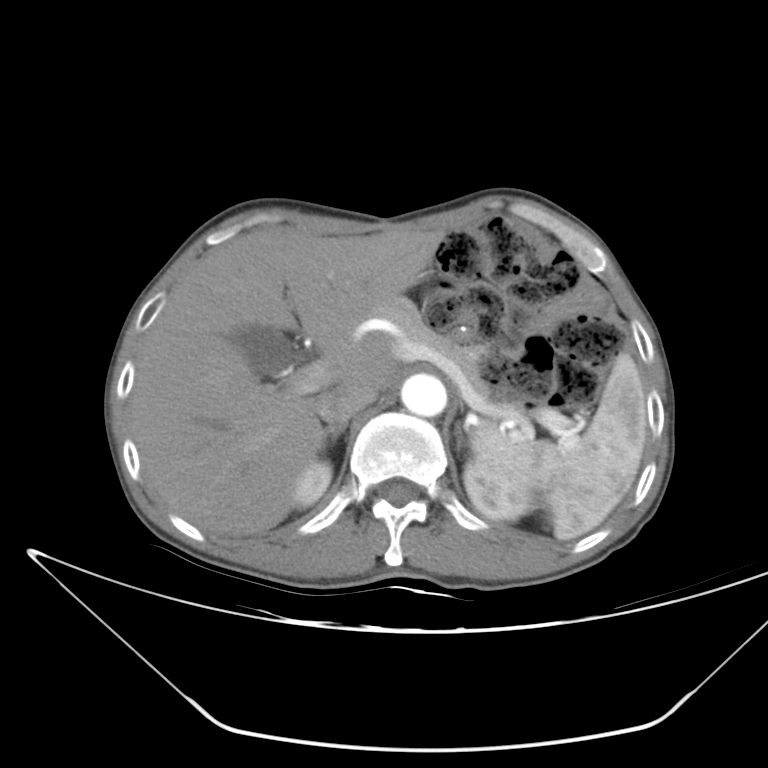

CT abdomen · axial view
Boxes: x1:y1:x2:y2 in pixels. Labeled organs on this slice: spleen at 471:352:646:540, right kidney at 293:461:331:508, left kidney at 463:459:534:520, gall bladder at 233:326:295:377, liver at 128:226:444:536, aorta at 401:374:447:416, inferior vena cava at 316:379:377:424, pancreas at 364:296:485:392, right adrenal gland at 318:422:346:451, left adrenal gland at 455:422:465:449.